Abdominal CT. Axial slice 30/244. W/L 400/40 HU
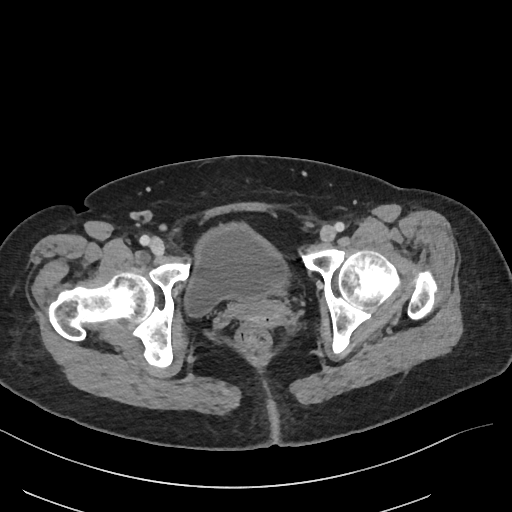
Boxes: x1:y1:x2:y2 in pixels.
bladder: 184:225:289:315